CT abdomen — axial view — soft-tissue window — SOMATOM Force scanner — scan has 15 labeled organs (counted over the whole 3D scan, not this slice; an organ is boxed only where this slice passes through it)
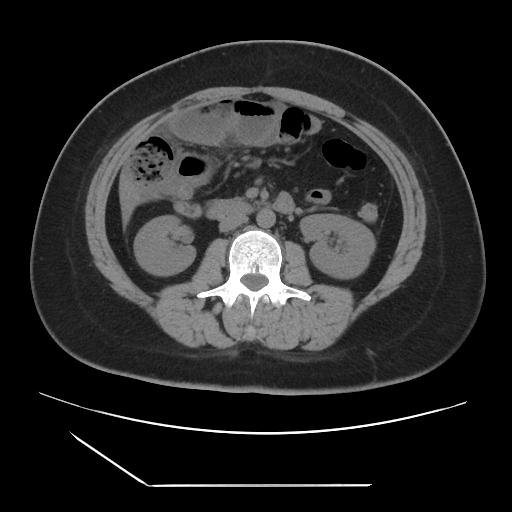
{"organs":{"right kidney":[134,215,195,275],"left kidney":[300,213,375,278],"liver":[122,200,134,223],"aorta":[256,208,275,227],"inferior vena cava":[219,214,247,231],"duodenum":[207,194,294,219]}}